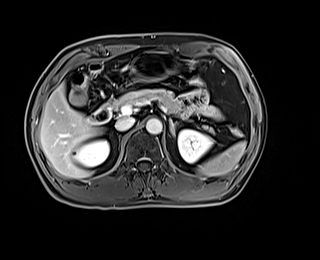
Abdominal MRI — axial view — percentile-normalized — 320x260 px — acquired on Prisma
{"organs":{"duodenum":[87,102,112,123],"right kidney":[74,140,109,167],"liver":[40,83,104,178],"left kidney":[178,129,212,162],"gall bladder":[69,89,86,105],"pancreas":[113,89,214,133],"left adrenal gland":[169,120,176,137],"stomach":[131,51,188,81],"spleen":[196,141,246,176],"aorta":[146,118,162,134],"inferior vena cava":[115,117,135,131]}}